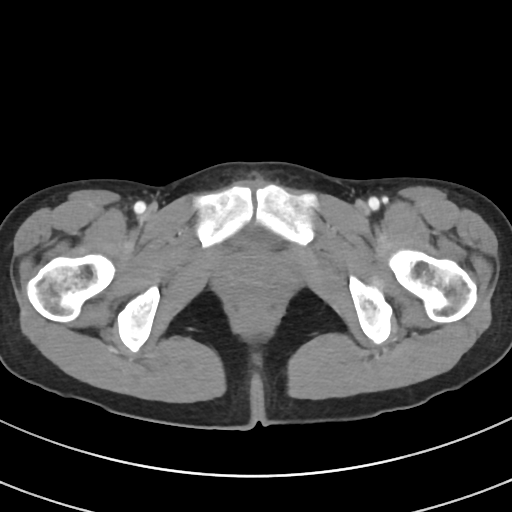 Abdominal CT; axial view; W/L 400/40 HU
Bounding boxes as [x1, y1, x2, y2] in pixel coordinates.
Organ bounding boxes:
- bladder: [235, 226, 275, 245]